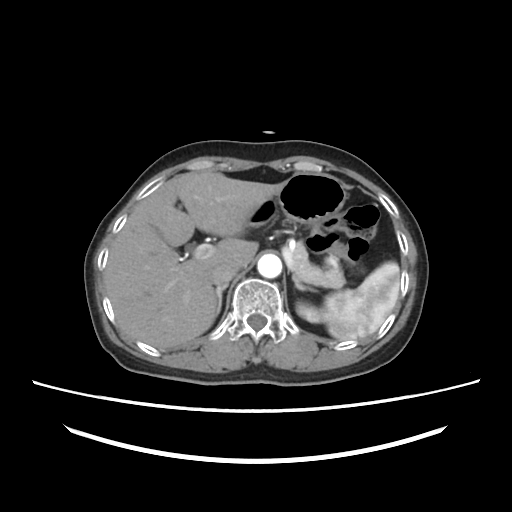
CT abdomen; axial view; abdomen soft-tissue window; 62-year-old female patient
<organs><organ name="spleen" x1="324" y1="262" x2="399" y2="340"/><organ name="left kidney" x1="296" y1="301" x2="324" y2="322"/><organ name="liver" x1="104" y1="171" x2="282" y2="348"/><organ name="stomach" x1="248" y1="173" x2="345" y2="225"/><organ name="aorta" x1="257" y1="254" x2="281" y2="278"/><organ name="inferior vena cava" x1="208" y1="261" x2="238" y2="287"/><organ name="pancreas" x1="288" y1="241" x2="344" y2="288"/><organ name="right adrenal gland" x1="216" y1="285" x2="227" y2="314"/><organ name="left adrenal gland" x1="293" y1="277" x2="313" y2="291"/></organs>